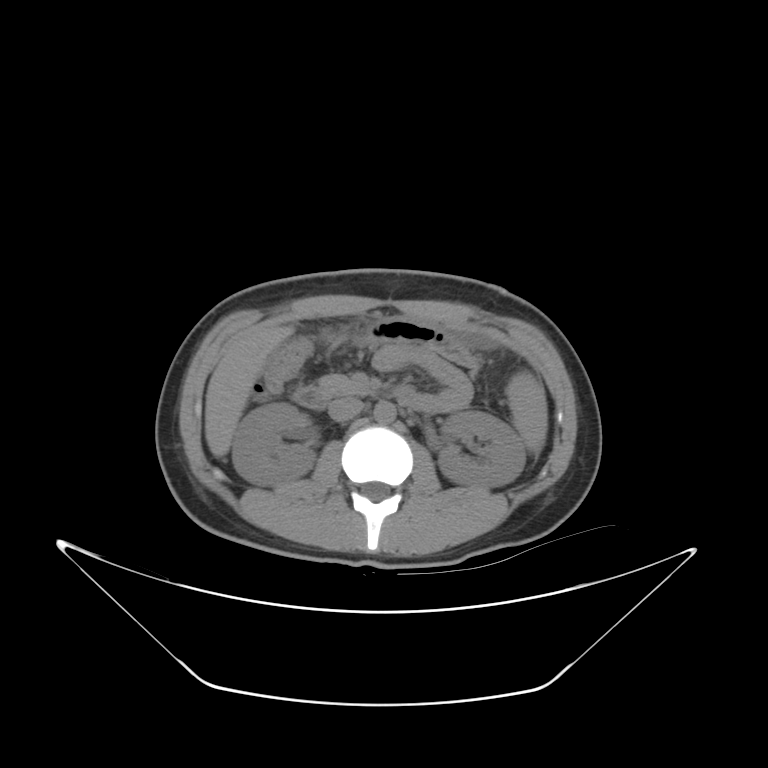
Computed tomography, abdomen. axial view. 768x768 px. 16-year-old male patient
{"organs":{"liver":[204,324,293,458],"spleen":[508,372,545,451],"duodenum":[291,385,437,413],"aorta":[372,402,396,425],"right kidney":[231,405,317,484],"pancreas":[319,375,372,397],"left kidney":[435,410,526,485],"inferior vena cava":[329,396,363,421],"stomach":[361,319,478,368]}}